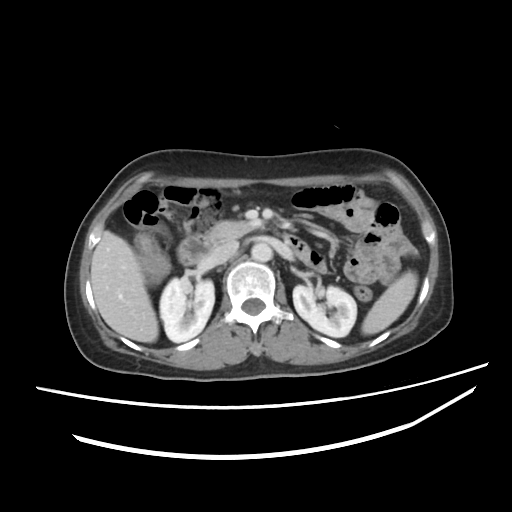
CT abdomen; axial view; acquired on Aquilion ONE
Bounding boxes in pixels, one row per box: x1, y1 is the top-left corner and x2, y2 the bottom-right.
| organ | x1 | y1 | x2 | y2 |
|---|---|---|---|---|
| spleen | 361 | 271 | 417 | 334 |
| right kidney | 159 | 278 | 214 | 342 |
| left kidney | 293 | 285 | 356 | 337 |
| liver | 91 | 231 | 158 | 342 |
| aorta | 251 | 242 | 272 | 261 |
| inferior vena cava | 209 | 240 | 238 | 263 |
| pancreas | 206 | 221 | 254 | 243 |
| duodenum | 177 | 234 | 310 | 264 |